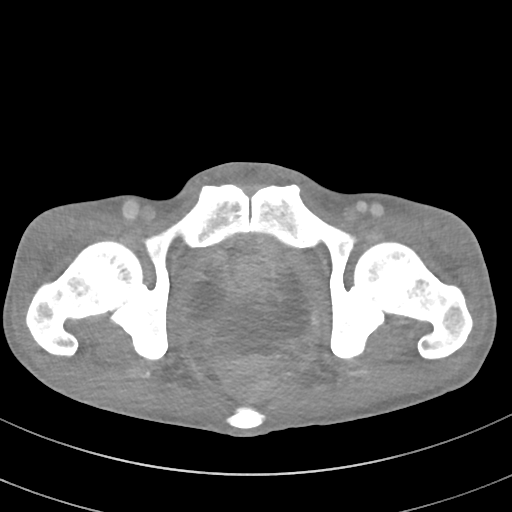
Abdominal CT; axial view; W/L 400/40 HU
{"organs":{"bladder":[182,261,312,340]}}